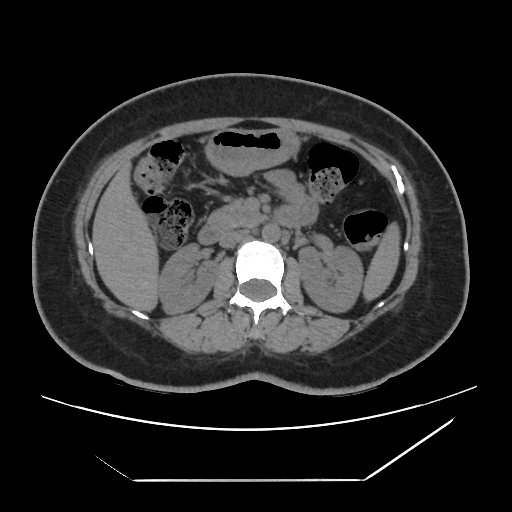 CT, abdomen/pelvis — Axial slice 213/345
One row per box, in pixels: columns x1 and y1 give the top-left corner, x2 and y2 the bottom-right.
| organ | x1 | y1 | x2 | y2 |
|---|---|---|---|---|
| spleen | 365 | 228 | 398 | 298 |
| right kidney | 157 | 242 | 216 | 313 |
| left kidney | 300 | 245 | 364 | 312 |
| liver | 93 | 168 | 157 | 310 |
| stomach | 207 | 129 | 296 | 174 |
| aorta | 262 | 223 | 279 | 241 |
| inferior vena cava | 219 | 230 | 248 | 248 |
| pancreas | 209 | 201 | 263 | 229 |
| duodenum | 198 | 204 | 303 | 243 |